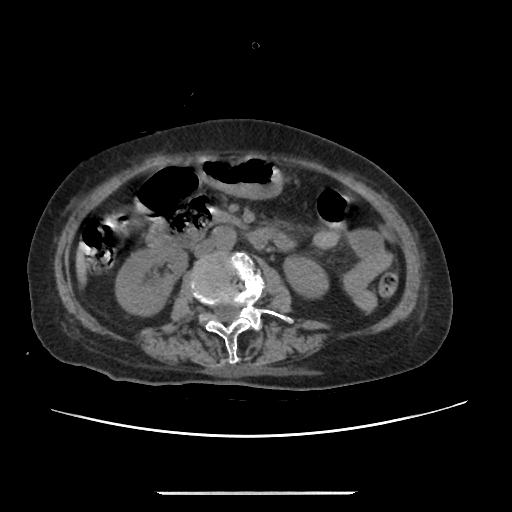

CT, abdomen/pelvis — axial view — soft-tissue window — acquired on SOMATOM Force
Boxes are (x1, y1, x2, y2) in pixels.
right kidney: (115, 244, 187, 315)
left kidney: (284, 256, 328, 297)
stomach: (199, 156, 282, 198)
aorta: (212, 226, 236, 248)
inferior vena cava: (194, 239, 215, 256)
duodenum: (146, 203, 276, 248)